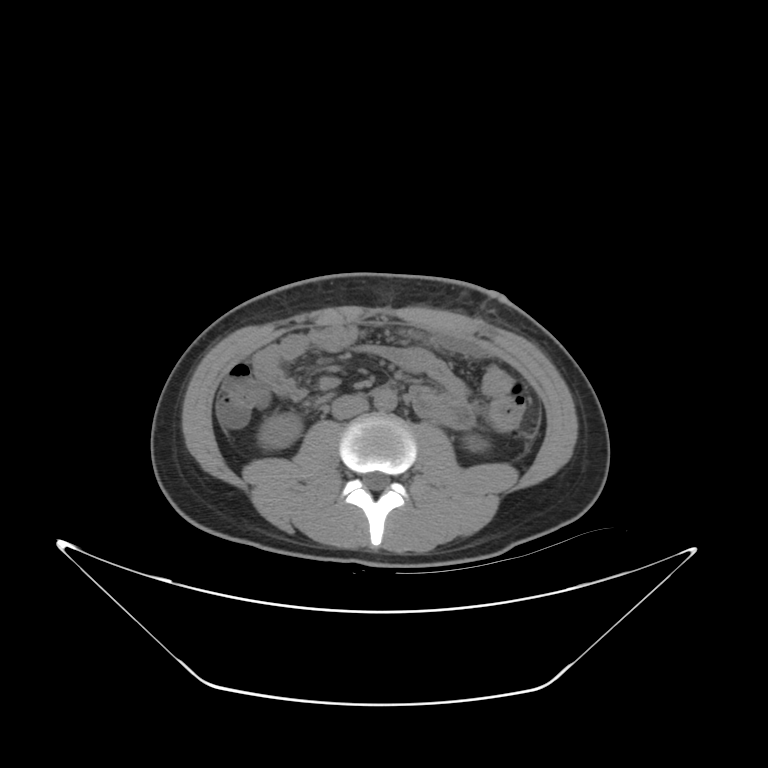 CT, abdomen/pelvis. axial view. soft-tissue window (W 400 / L 40). 768x768 px. 16-year-old male patient. 15 organs annotated in this scan (that count is for the whole scan; organs this slice misses have no box)
One row per box, in pixels: columns x1 and y1 give the top-left corner, x2 and y2 the bottom-right.
| organ | x1 | y1 | x2 | y2 |
|---|---|---|---|---|
| right kidney | 259 | 412 | 300 | 448 |
| left kidney | 461 | 433 | 484 | 456 |
| aorta | 375 | 391 | 396 | 412 |
| inferior vena cava | 331 | 394 | 368 | 418 |